Computed tomography, abdomen · axial view · abdomen soft-tissue window
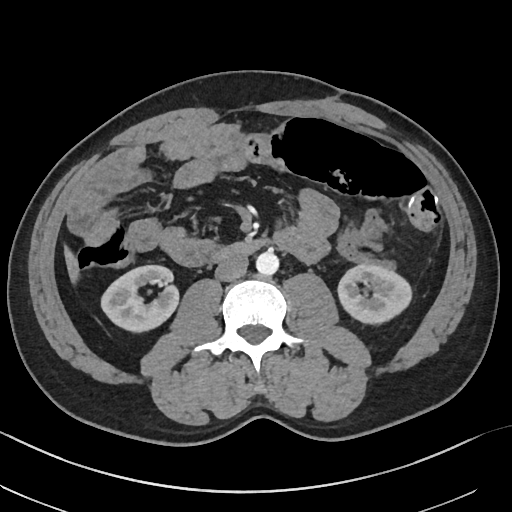
Boxes are (x1, y1, x2, y2) in pixels.
aorta: (256, 251, 279, 276)
inferior vena cava: (214, 255, 248, 281)
duodenum: (210, 238, 269, 262)
left kidney: (337, 264, 413, 322)
liver: (64, 244, 77, 285)
right kidney: (101, 265, 177, 333)